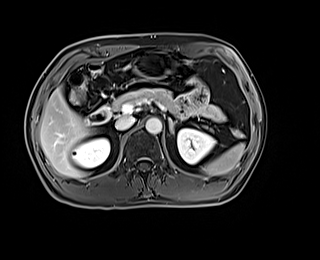
Abdominal MRI. axial view. Prisma scanner
Boxes are (x1, y1, x2, y2) in pixels. The annotated organs in this slice are: spleen at (201, 143, 244, 175), right kidney at (71, 138, 109, 168), left kidney at (177, 128, 215, 163), gall bladder at (71, 91, 82, 103), liver at (40, 88, 92, 177), stomach at (133, 51, 178, 78), aorta at (145, 118, 162, 133), inferior vena cava at (115, 117, 135, 130), pancreas at (111, 88, 181, 116), left adrenal gland at (169, 118, 176, 135), duodenum at (83, 105, 111, 125).